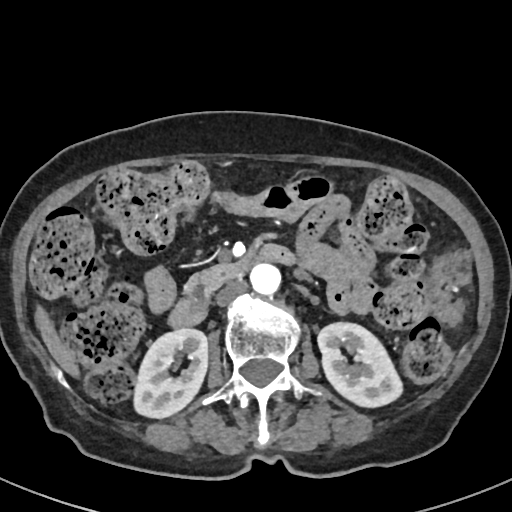 CT abdomen — axial plane, index 127 — 512x512 px — 15 organs annotated in this scan (a whole-scan count: organs this slice does not pass through have no box)
Coordinates as <box>x1,y1,x2,y2</box> in pixels.
right kidney: <box>132,328,207,419</box>
left kidney: <box>317,321,403,408</box>
liver: <box>35,302,78,377</box>
aorta: <box>251,264,280,296</box>
inferior vena cava: <box>216,280,247,306</box>
pancreas: <box>185,257,250,296</box>
duodenum: <box>166,245,295,327</box>